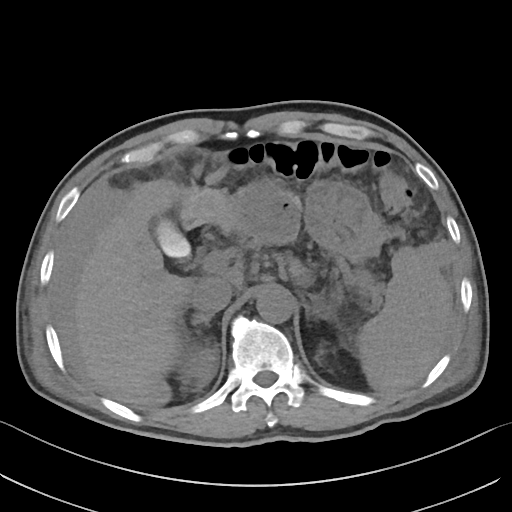

Abdominal CT · axial view · W/L 400/40 HU
<organs><organ name="gall bladder" x1="155" y1="218" x2="191" y2="256"/><organ name="stomach" x1="296" y1="180" x2="384" y2="262"/><organ name="right kidney" x1="179" y1="345" x2="218" y2="385"/><organ name="aorta" x1="256" y1="288" x2="294" y2="323"/><organ name="liver" x1="72" y1="167" x2="303" y2="405"/><organ name="right adrenal gland" x1="185" y1="313" x2="214" y2="334"/><organ name="spleen" x1="356" y1="246" x2="452" y2="392"/><organ name="inferior vena cava" x1="190" y1="277" x2="232" y2="312"/><organ name="left kidney" x1="319" y1="346" x2="323" y2="353"/><organ name="left adrenal gland" x1="305" y1="305" x2="334" y2="319"/></organs>